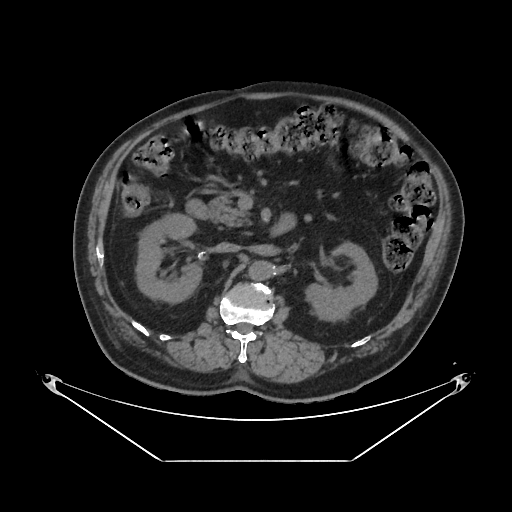
Abdominal CT — axial view — abdomen soft-tissue window — 512x512 px — acquired on SOMATOM Force
Box edges are left/top/right/bottom in pixels. The annotated organs in this slice are: right kidney at left=136, top=213, right=201, bottom=302, left kidney at left=306, top=241, right=377, bottom=320, aorta at left=249, top=260, right=275, bottom=280, inferior vena cava at left=216, top=242, right=240, bottom=251, pancreas at left=209, top=195, right=247, bottom=227, duodenum at left=188, top=201, right=286, bottom=233.